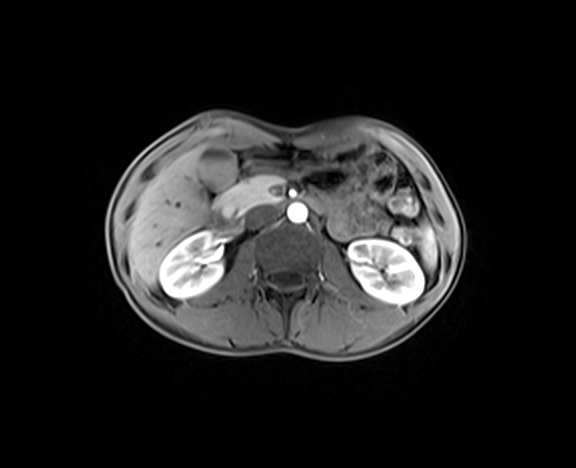
Abdominal MR. axial view. 1st–99th percentile window. 576x468 px
{"organs":{"spleen":[420,226,436,266],"right kidney":[159,231,223,298],"left kidney":[349,239,423,304],"gall bladder":[201,148,236,191],"liver":[128,147,209,286],"stomach":[244,145,365,174],"aorta":[287,203,307,223],"inferior vena cava":[246,206,278,228],"pancreas":[219,174,284,216],"duodenum":[211,156,322,231]}}